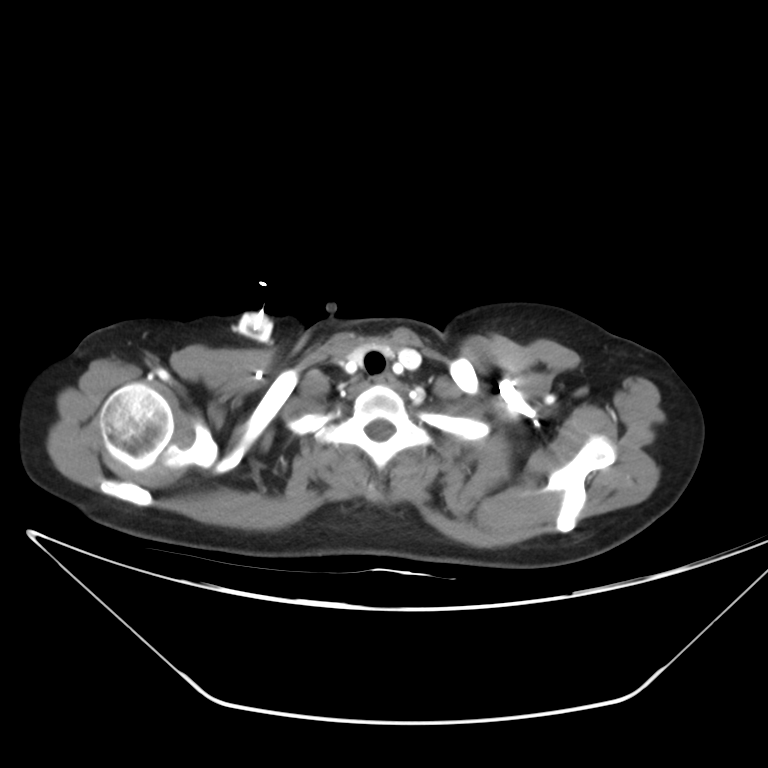 Abdominal CT reaching into the chest; this slice is in the chest. axial view. 34-year-old female patient
At this level of the chest no structure but the esophagus and the aorta has a label in this dataset, and those two are boxed only where they are labeled.
<organs><organ name="esophagus" x1="375" y1="373" x2="398" y2="386"/></organs>